CT abdomen · axial view · 512x512 px · 48-year-old male patient
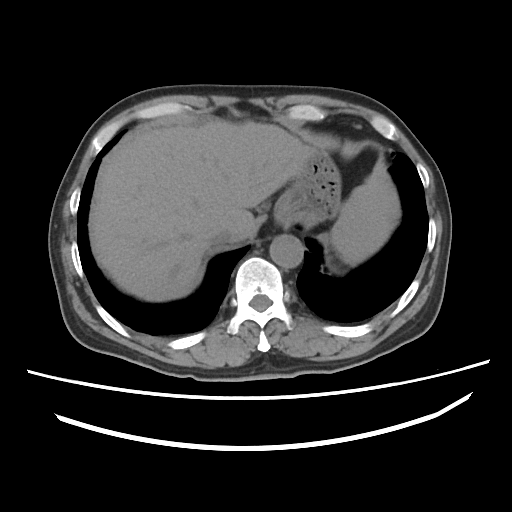

{"organs":{"spleen":[330,173,399,265],"stomach":[275,150,341,225],"liver":[89,120,313,301],"aorta":[269,234,303,268],"inferior vena cava":[210,230,233,245]}}